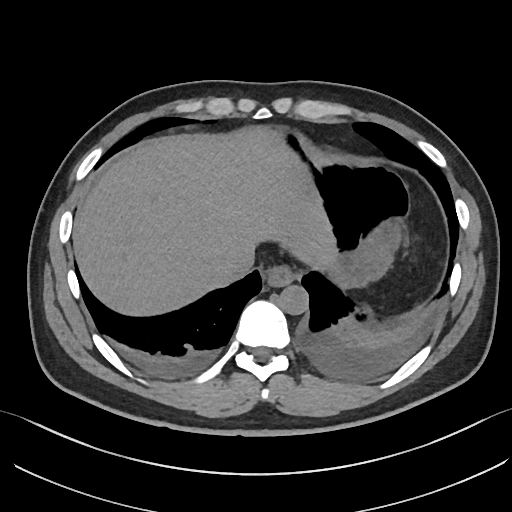
CT, abdomen/pelvis · axial view · soft-tissue window · 512x512 px · scan has 15 labeled organs (that count is for the whole scan; organs this slice misses have no box)
Box edges are left/top/right/bottom in pixels.
Organ bounding boxes:
- esophagus: left=265, top=264, right=295, bottom=285
- liver: left=74, top=129, right=339, bottom=315
- stomach: left=278, top=133, right=411, bottom=285
- aorta: left=279, top=285, right=308, bottom=314
- inferior vena cava: left=217, top=250, right=255, bottom=284